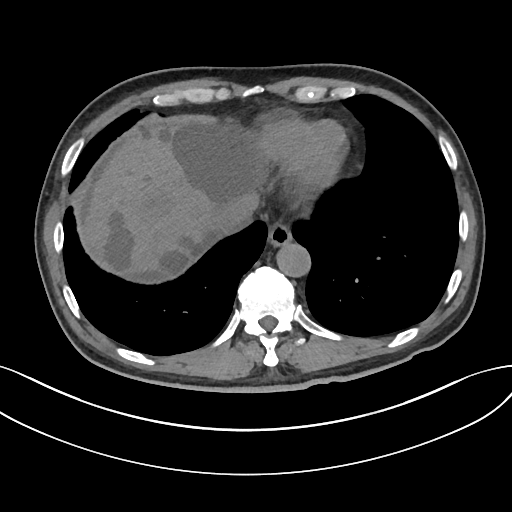
Abdominal CT — axial plane, index 193 — abdomen soft-tissue window
Each box given as x1,y1,x2,y2.
Organ bounding boxes:
- aorta: x1=277, y1=243, x2=311, y2=277
- inferior vena cava: x1=213, y1=195, x2=257, y2=233
- esophagus: x1=266, y1=224, x2=292, y2=247
- liver: x1=80, y1=121, x2=257, y2=276